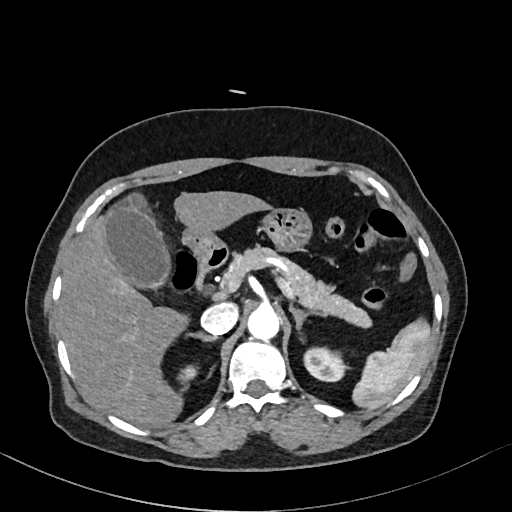
CT abdomen — Axial slice 164/222
Coordinates as <box>x1,y1,x2,y2</box> in pixels.
inferior vena cava: <box>201,303,238,335</box>
liver: <box>60,191,271,426</box>
spleen: <box>352,318,430,409</box>
left kidney: <box>304,347,346,381</box>
stomach: <box>182,208,311,255</box>
aorta: <box>247,307,279,340</box>
right kidney: <box>179,364,196,381</box>
gall bladder: <box>103,193,168,287</box>
left adrenal gland: <box>289,304,326,330</box>
right adrenal gland: <box>187,332,216,341</box>
pancreas: <box>225,245,371,327</box>
duodenum: <box>194,246,228,289</box>